Abdominal CT · Axial slice 146/232 · soft-tissue window (W 400 / L 40) · 512x512 px · SOMATOM Force scanner
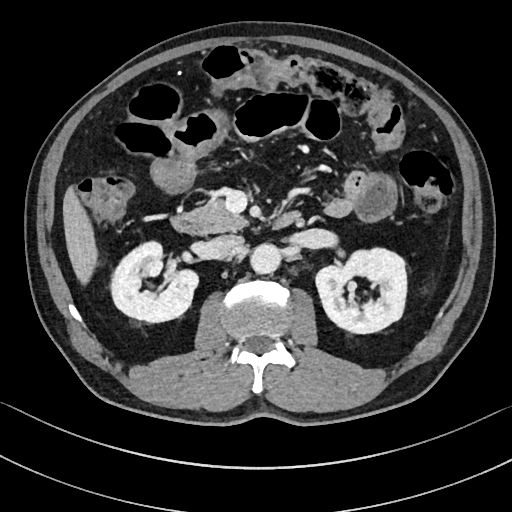 Boxes: x1:y1:x2:y2 in pixels.
Organ bounding boxes:
- right kidney: 111:241:198:322
- left kidney: 316:248:406:333
- liver: 63:186:97:284
- aorta: 250:244:280:273
- inferior vena cava: 209:235:244:259
- pancreas: 185:199:247:231
- duodenum: 171:211:300:234